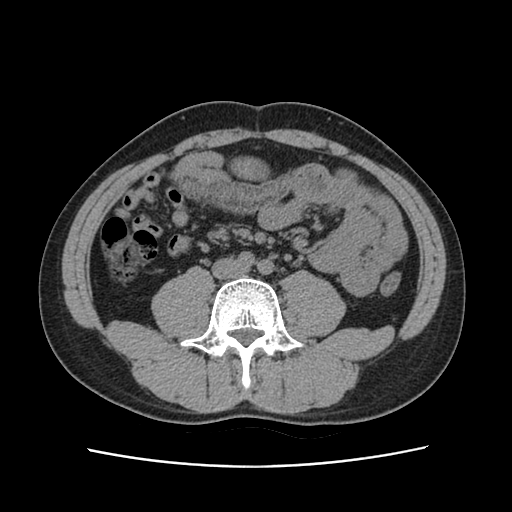

Abdominal CT; Axial slice 90/167; soft-tissue window
Coordinates as <box>x1,y1,x2,y2</box> in pixels.
Organ bounding boxes:
- inferior vena cava: <box>211,256,246,279</box>